CT of the abdomen extending into the chest, slice through the chest — axial view — soft-tissue window (W 400 / L 40)
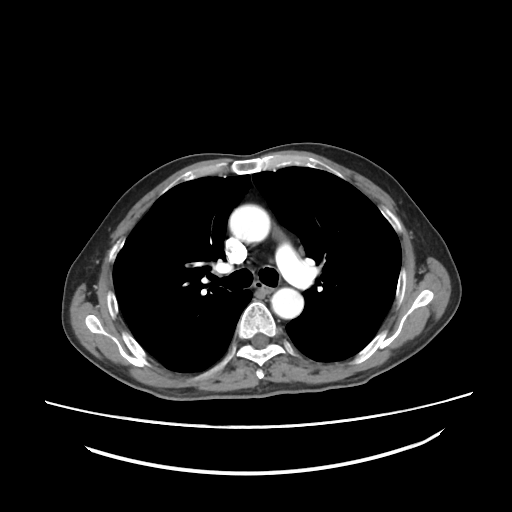

On a slice this high in the chest, this dataset labels only the esophagus and the aorta, and each is boxed only where it is labeled; the heart, lungs and other chest structures are not labeled.
Organ boxes in pixel coordinates; each row gives the top-left (x1, y1) and bottom-right (x2, y2) corners.
| organ | x1 | y1 | x2 | y2 |
|---|---|---|---|---|
| esophagus | 254 | 283 | 272 | 292 |
| aorta | 229 | 204 | 270 | 243 |
| aorta | 271 | 288 | 303 | 318 |